CT abdomen. axial plane, index 186
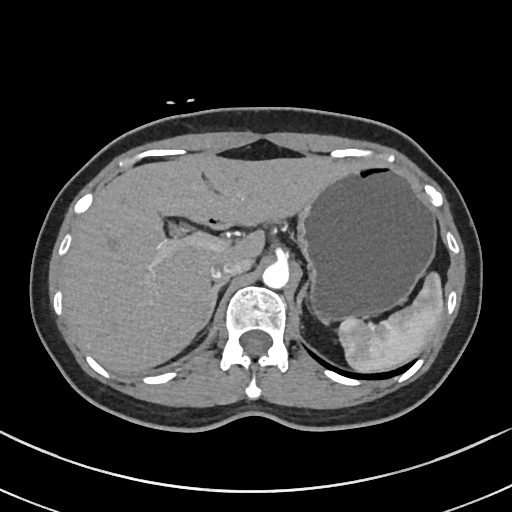 Coordinates as <box>x1,y1,x2,y2</box> in pixels.
Organ bounding boxes:
- spleen: <box>340,272,443,372</box>
- gall bladder: <box>166,220,180,234</box>
- liver: <box>63,152,355,371</box>
- stomach: <box>298,163,435,318</box>
- aorta: <box>262,261,289,287</box>
- inferior vena cava: <box>209,256,251,278</box>
- right adrenal gland: <box>204,278,228,324</box>
- left adrenal gland: <box>297,278,309,312</box>
- duodenum: <box>190,214,231,229</box>